Abdominal CT; axial view; soft-tissue window (W 400 / L 40); 15 organs annotated in this scan (that count is for the whole scan; organs this slice misses have no box)
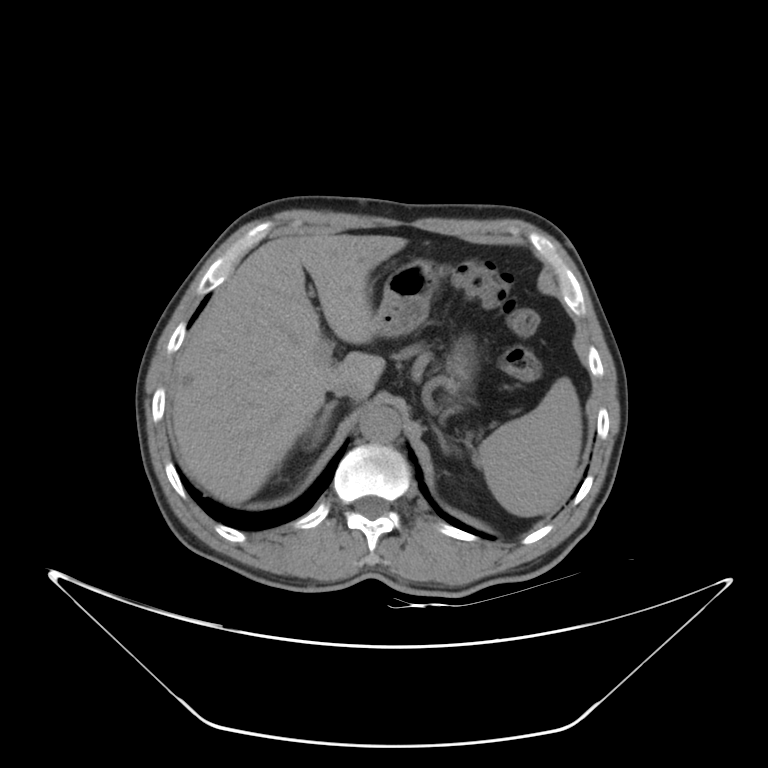

Boxes: x1 y1 x2 y2 (pixel coords, space-separated).
left adrenal gland: 432 424 450 452
right adrenal gland: 316 399 338 436
liver: 174 234 406 504
spleen: 477 376 582 517
aorta: 360 406 401 442
stomach: 375 258 478 388
inferior vena cava: 327 378 360 398